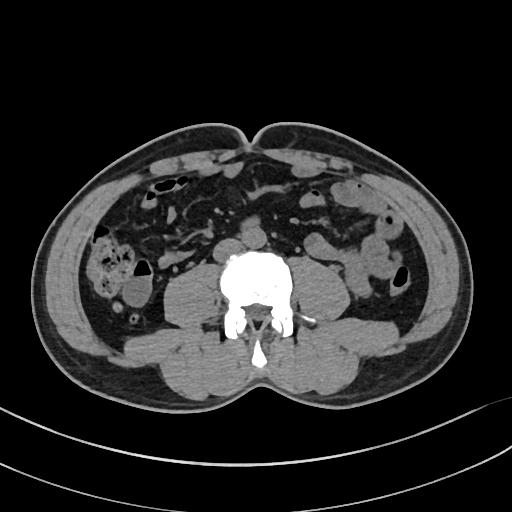 Abdominal CT — axial view — acquired on SOMATOM Force
{"organs":{"aorta":[240,228,265,247],"inferior vena cava":[213,239,242,260]}}